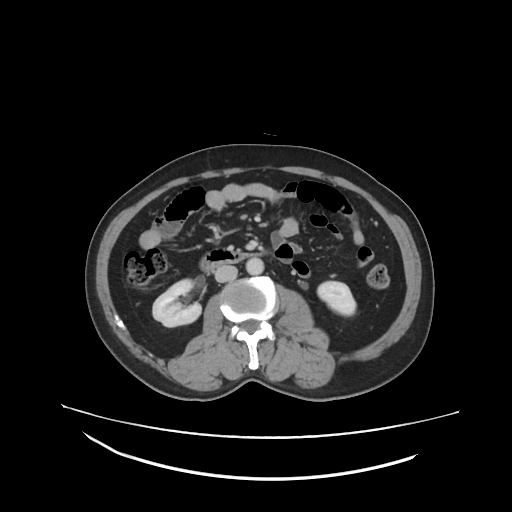 Abdominal CT; Axial slice 49/116; 512x512 px; 66-year-old male patient; acquired on Aquilion ONE
{"organs":{"right kidney":[152,279,202,326],"left kidney":[317,282,355,315],"aorta":[245,257,264,275],"inferior vena cava":[215,265,237,281],"duodenum":[200,250,266,272]}}